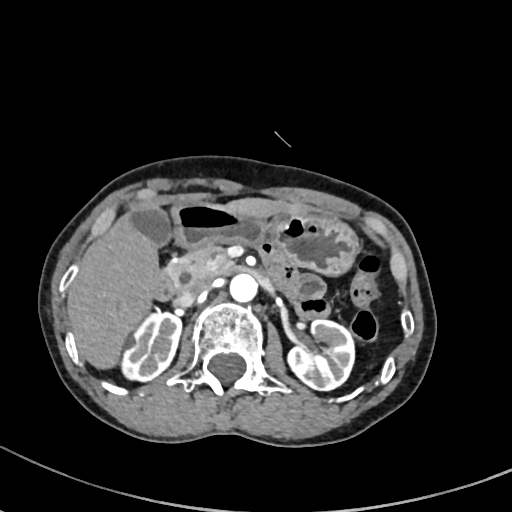
CT abdomen; Axial slice 152/207; 512x512 px
Each box given as x1,y1,x2,y2.
right kidney: x1=122, y1=311, x2=181, y2=381
left kidney: x1=288, y1=319, x2=354, y2=391
gall bladder: x1=131, y1=207, x2=173, y2=248
liver: x1=69, y1=198, x2=306, y2=367
stomach: x1=173, y1=201, x2=357, y2=274
aorta: x1=229, y1=272, x2=258, y2=303
inferior vena cava: x1=177, y1=277, x2=210, y2=305
pancreas: x1=165, y1=245, x2=220, y2=284
duodenum: x1=151, y1=263, x2=293, y2=300